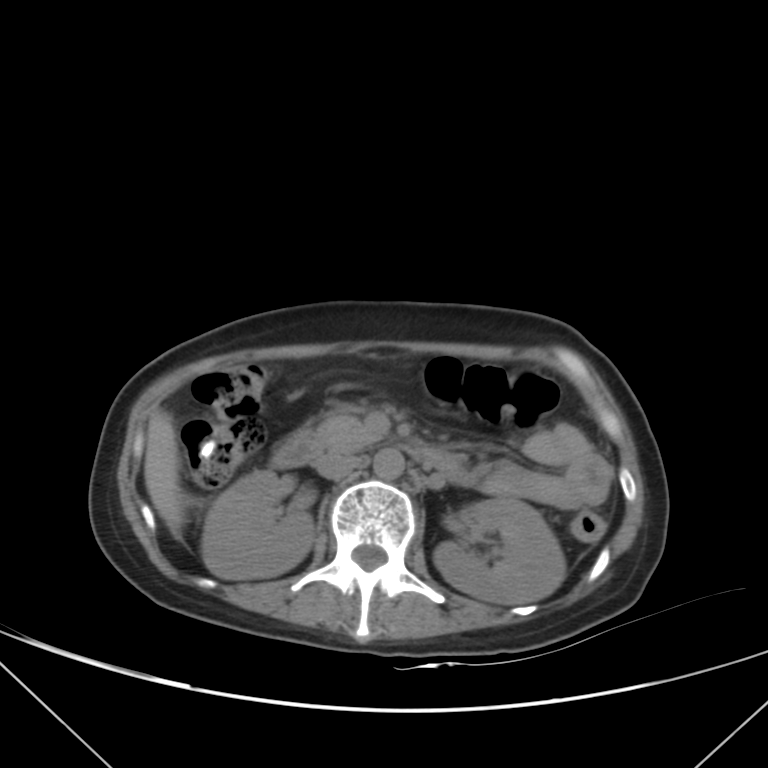 CT, abdomen/pelvis — axial view — 768x768 px
Organ boxes in pixel coordinates; each row gives the top-left (x1, y1) and bottom-right (x2, y2) corners.
| organ | x1 | y1 | x2 | y2 |
|---|---|---|---|---|
| duodenum | 271 | 431 | 466 | 481 |
| inferior vena cava | 316 | 453 | 361 | 479 |
| pancreas | 315 | 413 | 380 | 452 |
| aorta | 374 | 448 | 403 | 479 |
| left kidney | 433 | 497 | 566 | 603 |
| liver | 144 | 411 | 183 | 534 |
| right kidney | 201 | 470 | 314 | 578 |